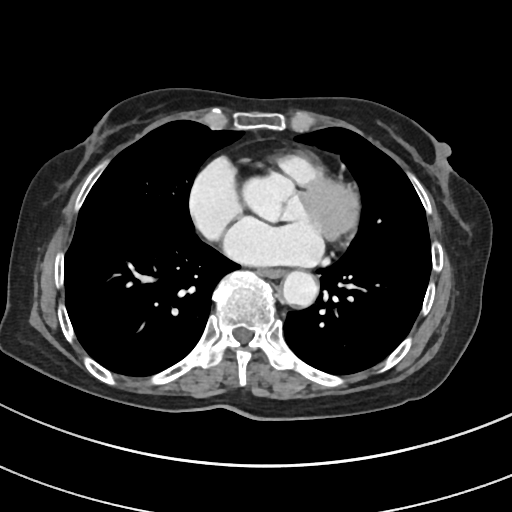
Lower-chest slice from an abdominal CT, just above the liver and spleen · axial view · 512x512 px · scan has 15 labeled organs (a whole-scan count: organs this slice does not pass through have no box)
Of the structures in the chest, this dataset labels only the esophagus, the aorta and the inferior vena cava; the heart and lungs have no label.
{"organs":{"esophagus":[261,269,285,277],"aorta":[282,271,318,307]}}